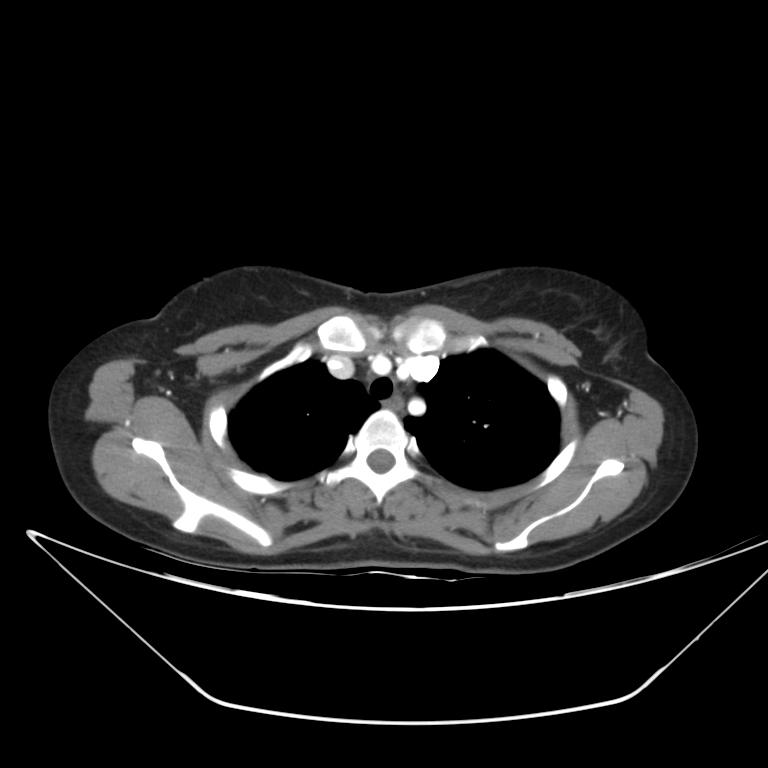

Chest-level slice from an abdominal CT that extends up into the chest; axial view; 768x768 px; 13 organs annotated in this scan (that count is for the whole scan; organs this slice misses have no box)
At this level of the chest this dataset labels only the esophagus and the aorta, and each is boxed only where it is labeled; the heart and lungs are never labeled.
<organs><organ name="esophagus" x1="382" y1="396" x2="401" y2="410"/></organs>